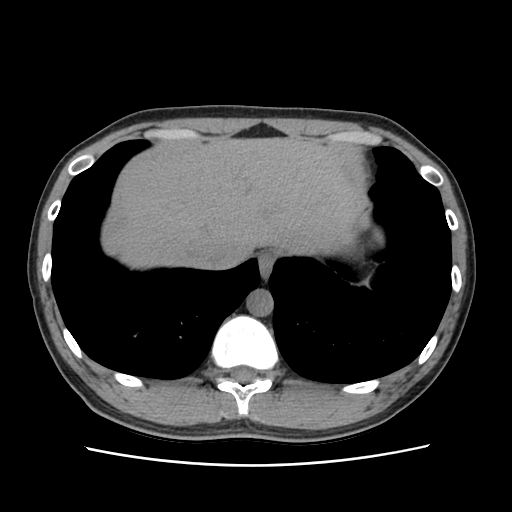

Abdominal CT. axial plane, index 151. soft-tissue window (W 400 / L 40). SOMATOM Force scanner. 15 organs annotated in this scan (counted over the whole 3D scan, not this slice; an organ is boxed only where this slice passes through it)
Each box given as x1,y1,x2,y2. Labeled organs on this slice: esophagus at x1=259, y1=253, x2=273, y2=279, liver at x1=111, y1=138, x2=356, y2=266, aorta at x1=246, y1=289, x2=273, y2=316, inferior vena cava at x1=203, y1=240, x2=246, y2=267.